CT of the abdomen extending into the chest, slice through the chest · axial view · soft-tissue window (W 400 / L 40) · 512x512 px · acquired on SOMATOM Force
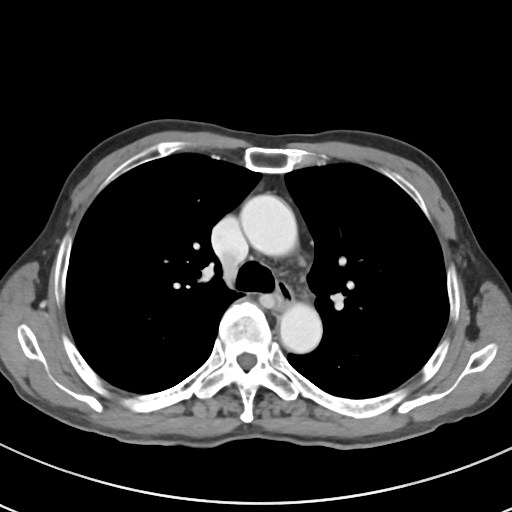
At this level of the chest this dataset labels only the esophagus and the aorta, and each is boxed only where it is labeled; the heart and lungs are never labeled.
Boxes: x1 y1 x2 y2 (pixel coords, space-separated).
esophagus: 274 281 293 310
aorta: 240 194 297 256
aorta: 279 303 322 353